Abdominal CT — axial plane, index 67 — W/L 400/40 HU
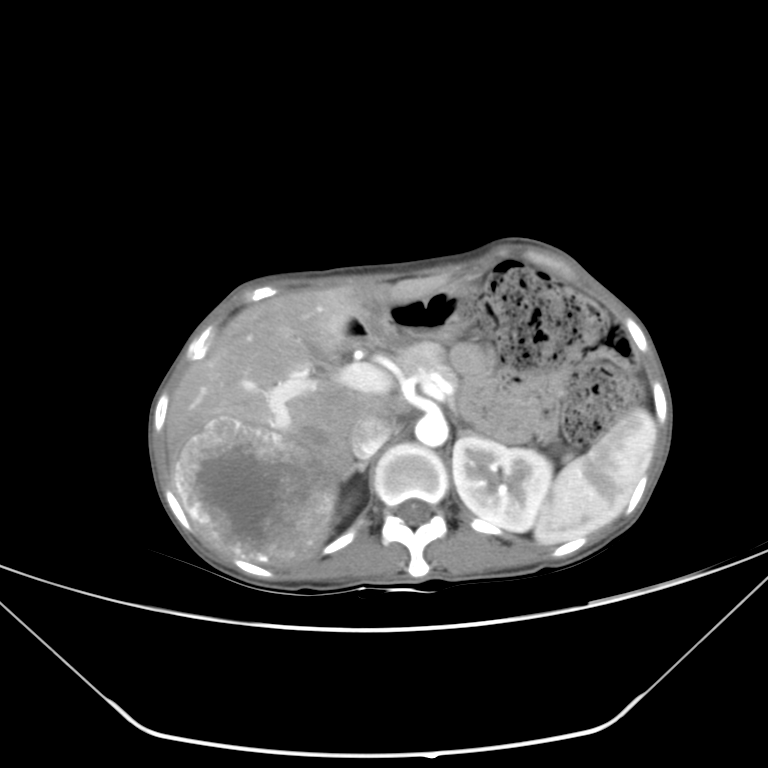 Coordinates as <box>x1,y1,x2,y2</box> in pixels.
Organ bounding boxes:
- spleen: <box>533,407,656,545</box>
- left kidney: <box>452,437,552,532</box>
- liver: <box>166,275,449,564</box>
- stomach: <box>345,283,473,347</box>
- aorta: <box>414,413,448,446</box>
- inferior vena cava: <box>351,413,394,458</box>
- pancreas: <box>393,341,455,382</box>
- right adrenal gland: <box>343,459,369,480</box>
- left adrenal gland: <box>457,427,490,437</box>